CT, abdomen/pelvis · axial view · soft-tissue window (W 400 / L 40) · 31-year-old male patient · acquired on Brilliance16
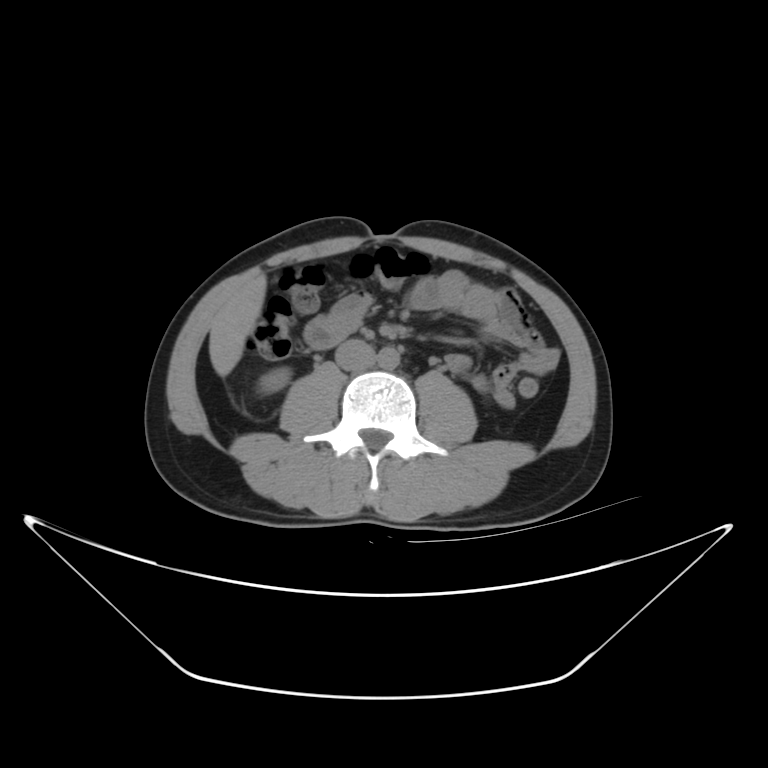 Box edges are left/top/right/bottom in pixels. Labeled organs on this slice: right kidney at left=260, top=364, right=293, bottom=391, liver at left=208, top=276, right=266, bottom=376, aorta at left=377, top=348, right=399, bottom=371, inferior vena cava at left=335, top=338, right=377, bottom=372.